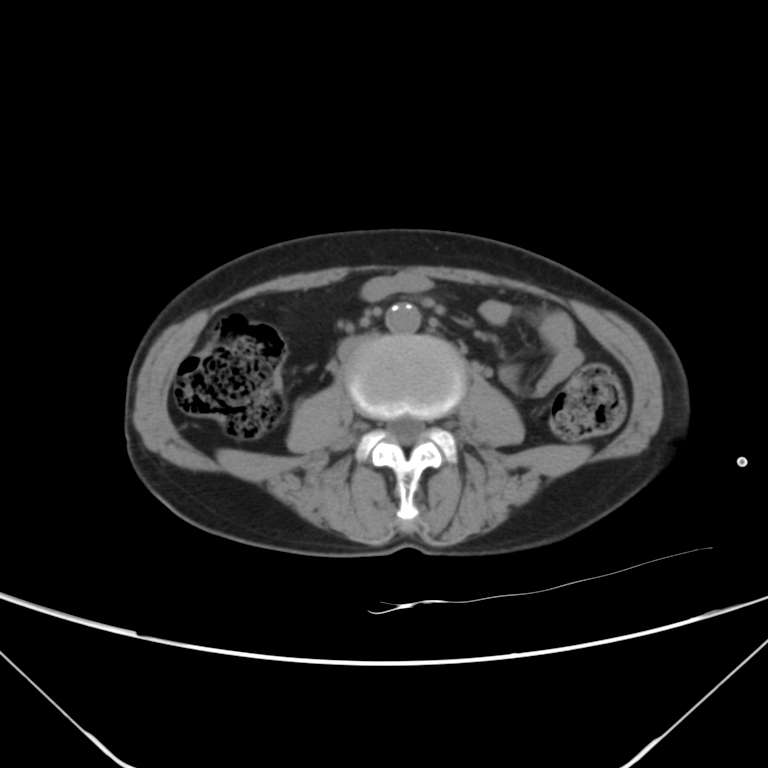 CT abdomen — axial view — W/L 400/40 HU
Boxes are (x1, y1, x2, y2) in pixels. Labeled organs on this slice: aorta at (386, 304, 420, 334), inferior vena cava at (337, 332, 380, 359).